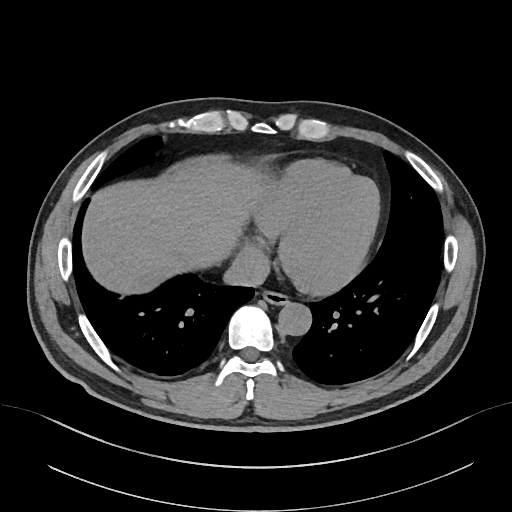
CT, abdomen/pelvis; axial plane, index 244; soft-tissue window
{"organs":{"esophagus":[263,289,289,304],"liver":[81,161,275,296],"aorta":[278,302,311,335],"inferior vena cava":[222,246,269,287]}}